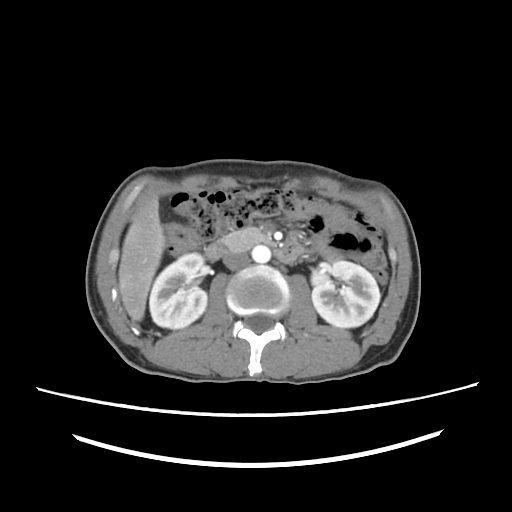
CT abdomen; axial view
{"organs":{"right kidney":[149,254,208,329],"left kidney":[310,259,380,327],"liver":[118,194,165,322],"aorta":[253,246,271,262],"inferior vena cava":[222,252,248,270],"pancreas":[222,229,271,252],"duodenum":[203,234,308,262]}}